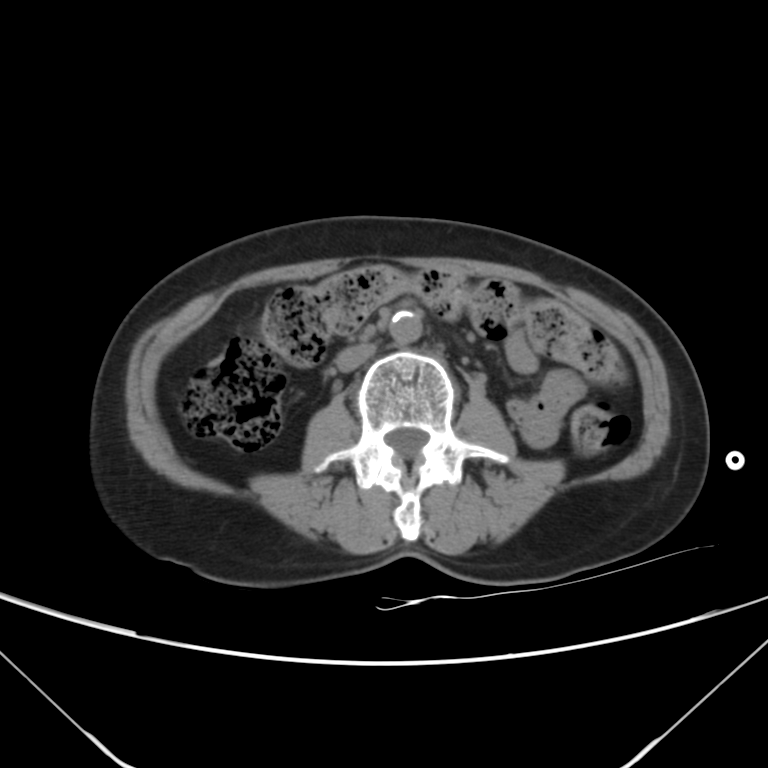 CT abdomen · axial view · soft-tissue window · 768x768 px · scan has 15 labeled organs (counted over the whole 3D scan, not this slice; an organ is boxed only where this slice passes through it)
{"organs":{"aorta":[389,309,421,343],"inferior vena cava":[335,342,376,371]}}